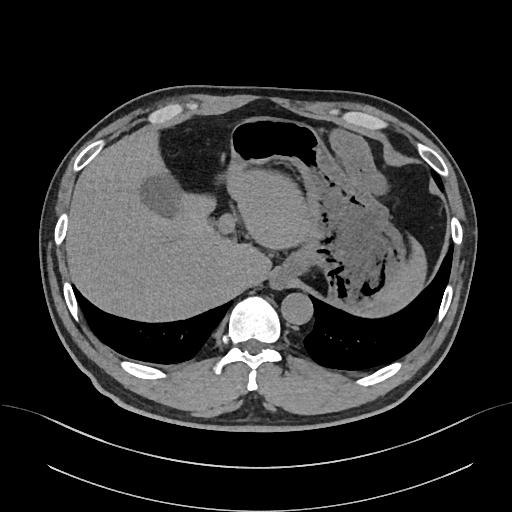
Computed tomography, abdomen. axial view. soft-tissue window
One row per box, in pixels: columns x1 and y1 give the top-left corner, x2 and y2 the bottom-right.
| organ | x1 | y1 | x2 | y2 |
|---|---|---|---|---|
| gall bladder | 141 | 172 | 182 | 217 |
| esophagus | 270 | 270 | 290 | 289 |
| liver | 66 | 129 | 425 | 320 |
| stomach | 231 | 117 | 407 | 308 |
| aorta | 281 | 293 | 312 | 324 |
| inferior vena cava | 230 | 269 | 248 | 286 |